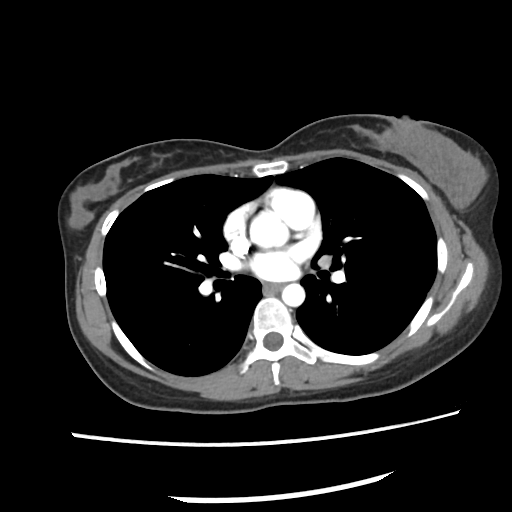
Chest-level CT slice, above the liver and spleen; axial view; soft-tissue window (W 400 / L 40); acquired on Aquilion ONE; 15 organs annotated in this scan (that count is for the whole scan; organs this slice misses have no box)
At this level of the chest no structure but the esophagus and the aorta has a label in this dataset, and those two are boxed only where they are labeled.
<organs><organ name="esophagus" x1="269" y1="281" x2="283" y2="292"/><organ name="aorta" x1="249" y1="208" x2="288" y2="247"/><organ name="aorta" x1="281" y1="284" x2="304" y2="306"/></organs>